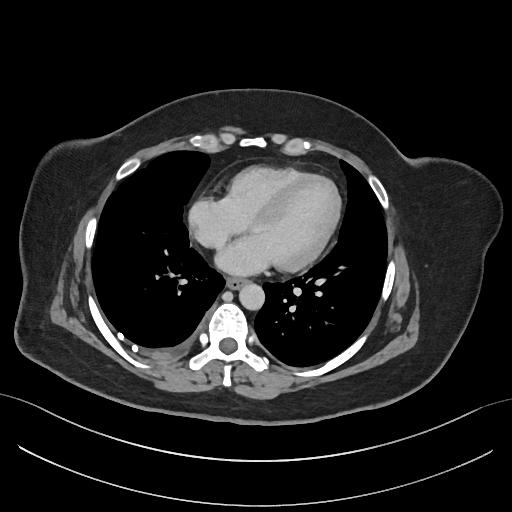 Lower-chest slice from an abdominal CT, just above the liver and spleen · axial view · 512x512 px · 15 organs annotated in this scan (that count is for the whole scan; organs this slice misses have no box)
The heart and lungs are never labeled in this dataset, so they have no box on this slice.
One row per box, in pixels: columns x1 and y1 give the top-left corner, x2 and y2 the bottom-right.
| organ | x1 | y1 | x2 | y2 |
|---|---|---|---|---|
| esophagus | 226 | 277 | 247 | 288 |
| aorta | 238 | 283 | 264 | 309 |